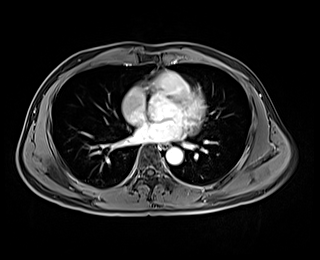
Abdominal MRI; this slice is in the lower chest, just above the liver — Axial slice 66/72 — percentile-normalized — 320x260 px — 13 organs annotated in this scan (a whole-scan count: organs this slice does not pass through have no box)
Of the structures in the chest, this dataset labels only the esophagus, the aorta and the inferior vena cava; the heart and lungs have no label.
One row per box, in pixels: columns x1 and y1 give the top-left corner, x2 and y2 the bottom-right.
| organ | x1 | y1 | x2 | y2 |
|---|---|---|---|---|
| esophagus | 160 | 143 | 168 | 149 |
| aorta | 166 | 147 | 183 | 164 |